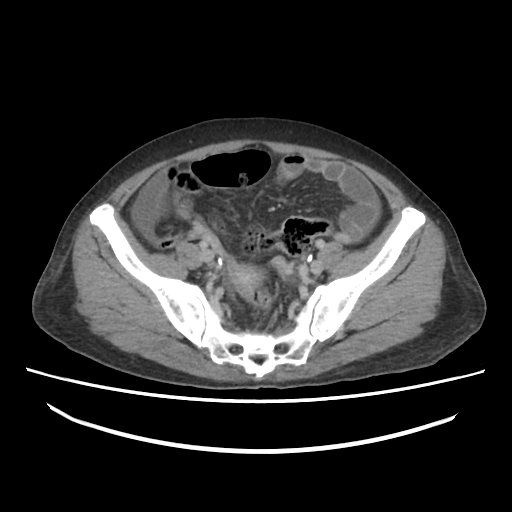

CT abdomen · axial plane, index 28 · soft-tissue window
<organs><organ name="prostate/uterus" x1="231" y1="266" x2="264" y2="288"/></organs>